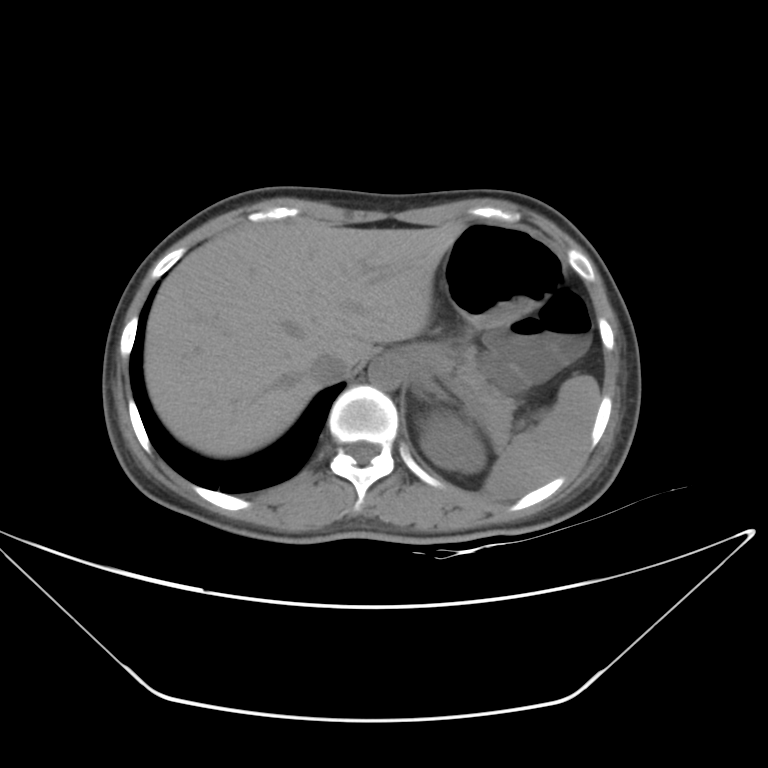
CT, abdomen/pelvis; axial view; 32-year-old female patient; acquired on Brilliance16; 15 organs annotated in this scan (counted over the whole 3D scan, not this slice; an organ is boxed only where this slice passes through it)
Boxes are (x1, y1, x2, y2) in pixels.
Organ bounding boxes:
- aorta: (368, 358, 403, 390)
- left kidney: (421, 413, 485, 472)
- pancreas: (457, 349, 516, 449)
- stomach: (397, 222, 564, 383)
- liver: (145, 220, 463, 456)
- spleen: (483, 375, 599, 498)
- inferior vena cava: (310, 352, 352, 384)